CT abdomen; axial view
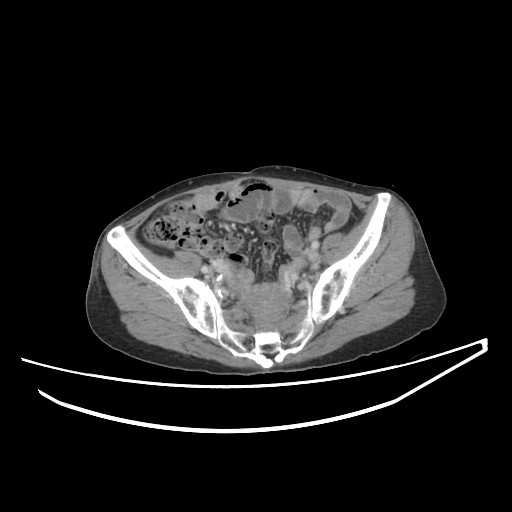 Boxes: x1:y1:x2:y2 in pixels. The annotated organs in this slice are: prostate/uterus at 246:294:284:320.